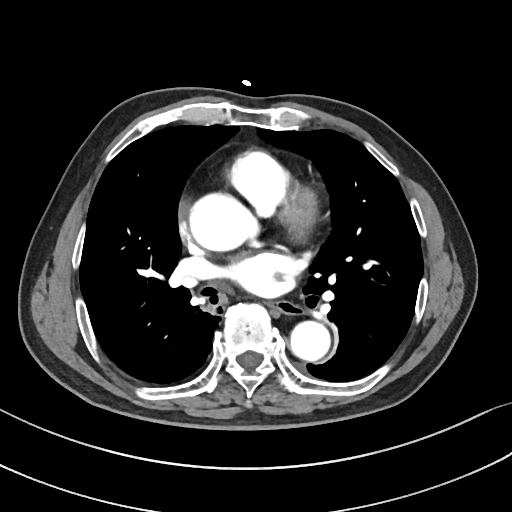

Chest-level CT slice, above the liver and spleen · axial view
At this level of the chest no structure but the esophagus and the aorta has a label in this dataset, and those two are boxed only where they are labeled.
{"organs":{"esophagus":[269,302,303,314],"aorta":[[190,193,255,250],[290,321,330,361]]}}